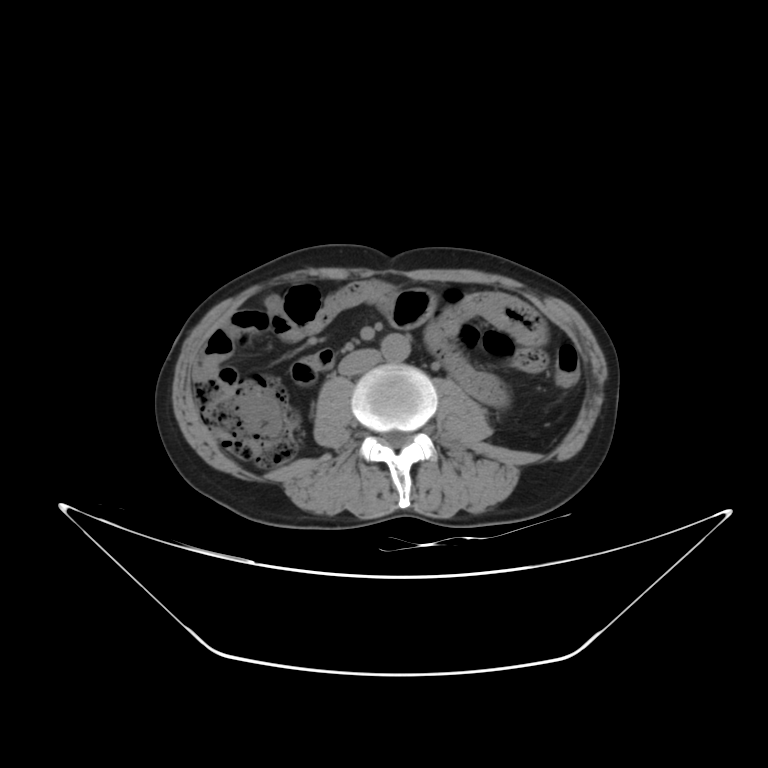 Abdominal CT — Axial slice 54/100
<organs><organ name="aorta" x1="381" y1="333" x2="410" y2="362"/><organ name="inferior vena cava" x1="338" y1="349" x2="381" y2="375"/></organs>